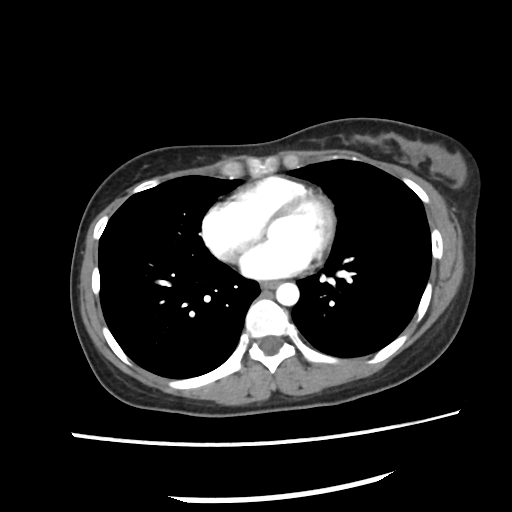
Lower-chest slice from an abdominal CT, just above the liver and spleen · axial view · soft-tissue window, W/L 400/40 · 512x512 px
Of the structures in the chest, this dataset labels only the esophagus, the aorta and the inferior vena cava; the heart and lungs have no label.
<organs><organ name="esophagus" x1="266" y1="280" x2="281" y2="289"/><organ name="aorta" x1="275" y1="282" x2="298" y2="304"/></organs>